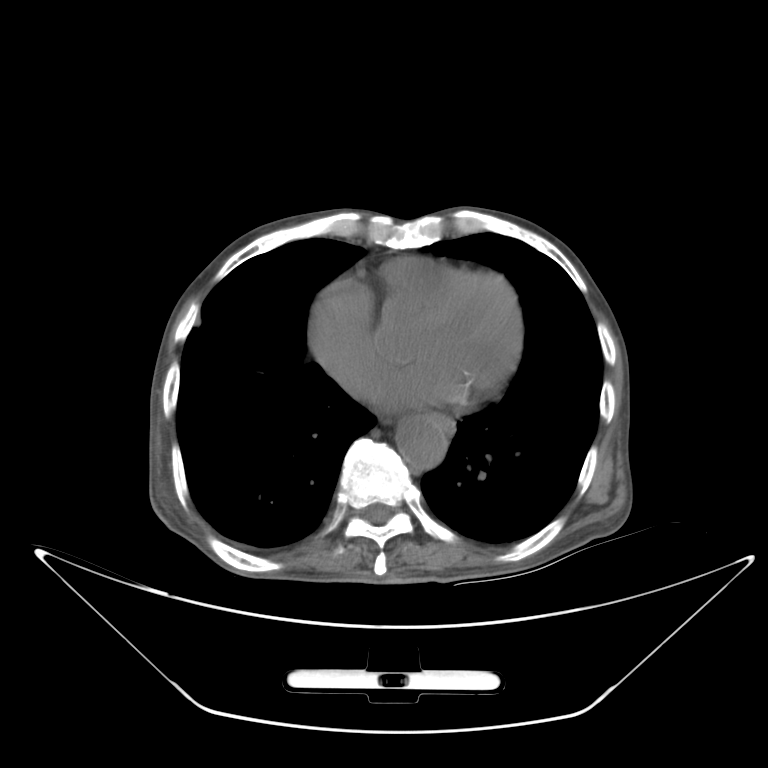
Lower-chest slice from an abdominal CT, just above the liver and spleen · axial plane, index 90
The heart and lungs are never labeled in this dataset, so they have no box on this slice.
Coordinates as <box>x1,y1,x2,y2</box> in pixels.
inferior vena cava: <box>336,366,388,407</box>
esophagus: <box>428,412,456,435</box>
aorta: <box>396,416,448,467</box>